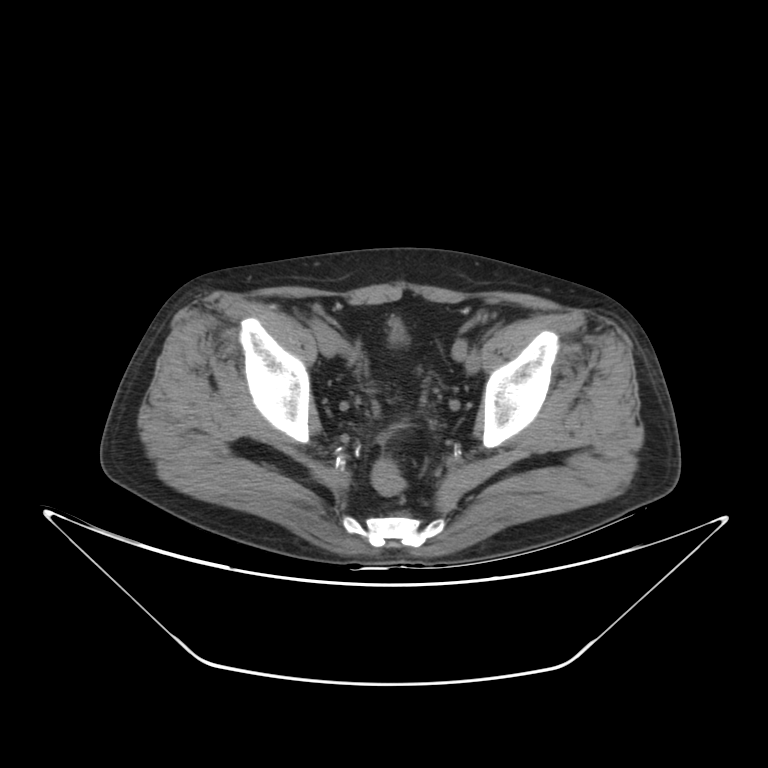
Abdominal CT · axial view · abdomen soft-tissue window · 59-year-old male patient
Boxes: x1:y1:x2:y2 in pixels.
bladder: 392:319:406:342